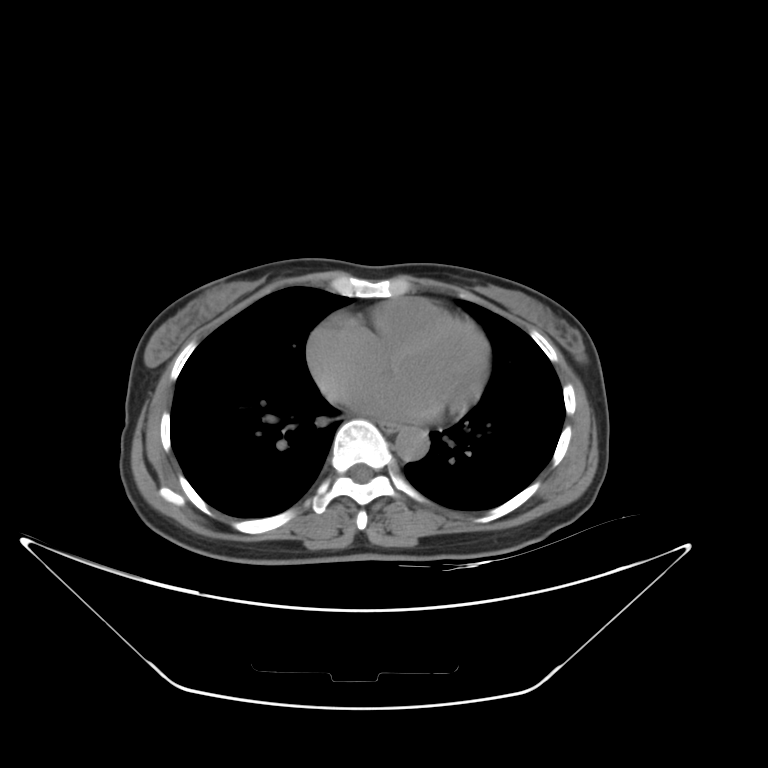 Lower-chest slice from an abdominal CT, just above the liver and spleen. Axial slice 99/99. soft-tissue window. 43-year-old female patient. acquired on Brilliance16
No part of the heart or lungs is labeled in this dataset, so neither has a box here.
<organs><organ name="aorta" x1="395" y1="427" x2="428" y2="461"/><organ name="esophagus" x1="378" y1="420" x2="399" y2="433"/></organs>